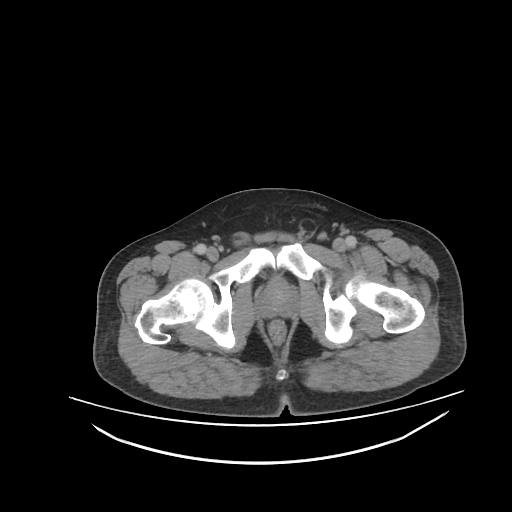 Abdominal CT · axial view · soft-tissue window · 512x512 px · scan has 15 labeled organs (a whole-scan count: organs this slice does not pass through have no box)
Organ boxes in pixel coordinates; each row gives the top-left (x1, y1) and bottom-right (x2, y2) corners.
| organ | x1 | y1 | x2 | y2 |
|---|---|---|---|---|
| prostate/uterus | 260 | 280 | 295 | 315 |